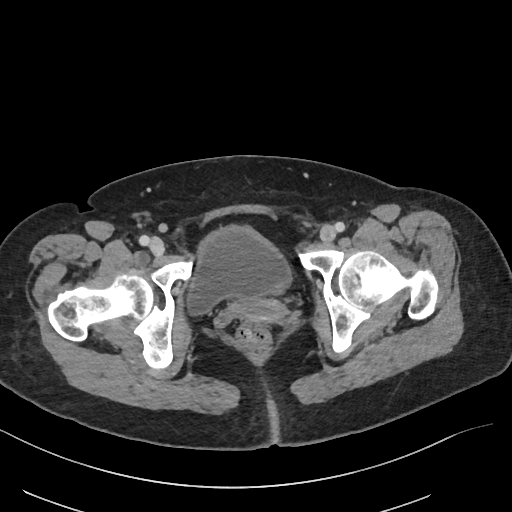
CT, abdomen/pelvis; axial view
{"organs":{"bladder":[187,225,291,314]}}